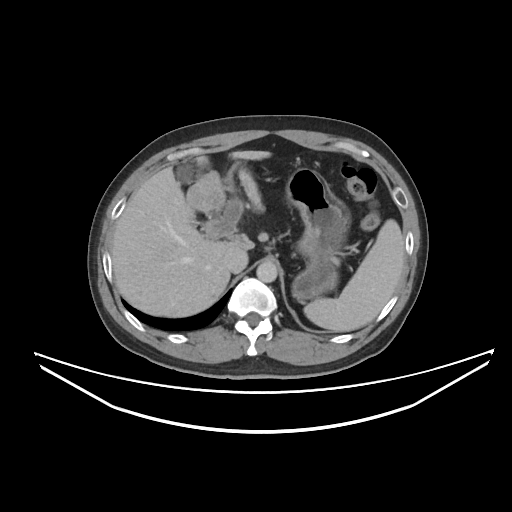
Abdominal CT — axial view — soft-tissue window
Boxes are (x1, y1, x2, y2) in pixels.
Organ bounding boxes:
- spleen: (304, 219, 404, 331)
- gall bladder: (175, 164, 195, 184)
- liver: (112, 150, 270, 317)
- stomach: (285, 167, 350, 301)
- aorta: (256, 261, 277, 282)
- inferior vena cava: (224, 247, 247, 273)